Abdominal CT — axial plane, index 67 — abdomen soft-tissue window — 768x768 px — acquired on Brilliance16
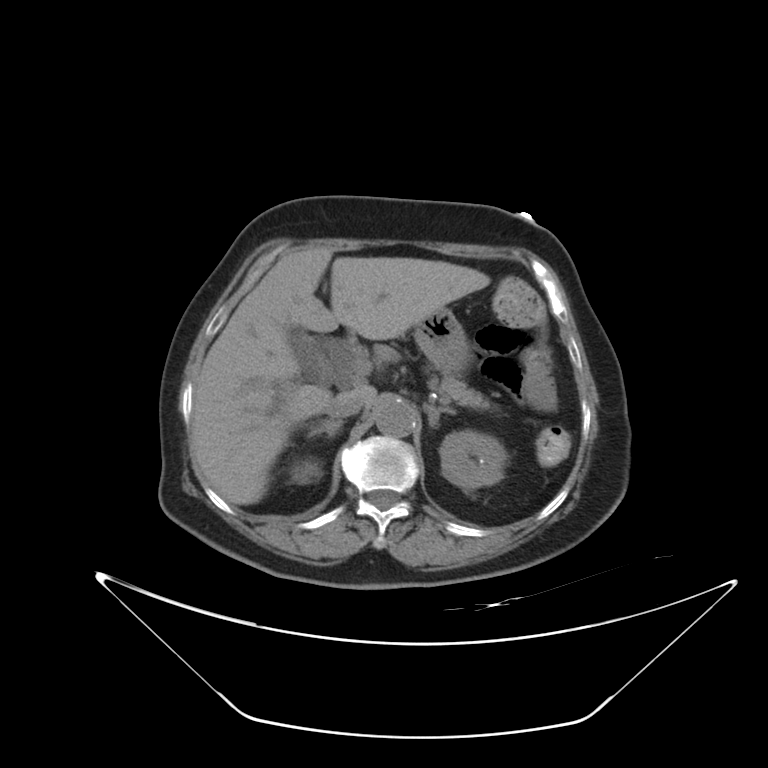 <organs><organ name="right kidney" x1="291" y1="460" x2="318" y2="484"/><organ name="left kidney" x1="439" y1="430" x2="506" y2="490"/><organ name="gall bladder" x1="289" y1="327" x2="329" y2="381"/><organ name="liver" x1="191" y1="247" x2="490" y2="505"/><organ name="stomach" x1="413" y1="307" x2="468" y2="373"/><organ name="aorta" x1="376" y1="400" x2="416" y2="437"/><organ name="inferior vena cava" x1="326" y1="395" x2="364" y2="417"/><organ name="pancreas" x1="431" y1="373" x2="494" y2="409"/><organ name="right adrenal gland" x1="307" y1="419" x2="344" y2="437"/><organ name="left adrenal gland" x1="425" y1="404" x2="455" y2="426"/></organs>